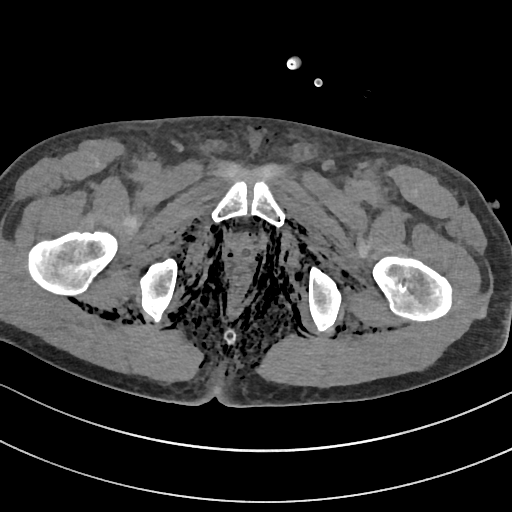 Abdominal CT · axial view · W/L 400/40 HU
Bounding boxes in pixels, one row per box: x1, y1 is the top-left corner and x2, y2 the bottom-right.
| organ | x1 | y1 | x2 | y2 |
|---|---|---|---|---|
| prostate/uterus | 232 | 239 | 254 | 264 |